CT abdomen; axial view; W/L 400/40 HU; 512x512 px; scan has 15 labeled organs (that count is for the whole scan; organs this slice misses have no box)
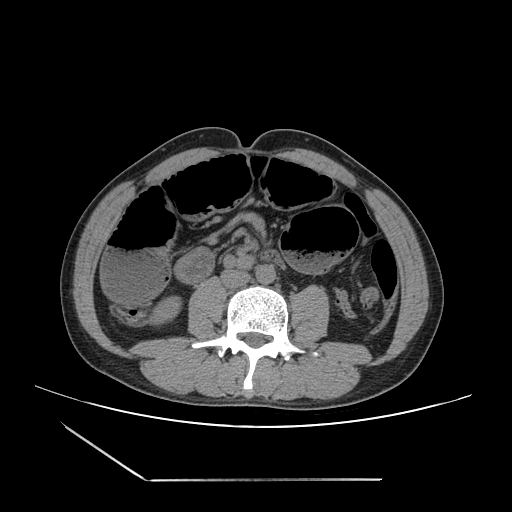
Boxes: x1:y1:x2:y2 in pixels.
Organ bounding boxes:
- aorta: 255:264:275:284
- right kidney: 151:297:179:323
- inferior vena cava: 220:270:250:288